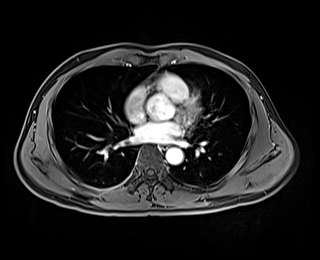
MRI of the abdomen reaching into the lower chest, slice just above the liver and spleen. Axial slice 68/72
Of the structures in the chest, this dataset labels only the esophagus, the aorta and the inferior vena cava; the heart and lungs have no label.
Boxes: x1:y1:x2:y2 in pixels.
esophagus: 160:144:168:149
aorta: 166:148:183:164